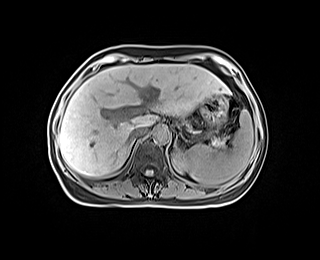 Abdominal MR · Axial slice 50/72 · 320x260 px · 13 organs annotated in this scan (a whole-scan count: organs this slice does not pass through have no box)
Boxes: x1 y1 x2 y2 (pixel coords, space-separated).
right adrenal gland: 128 140 133 153
liver: 59 64 229 176
stomach: 200 94 228 129
spleen: 186 110 253 187
inferior vena cava: 129 126 146 139
aorta: 153 126 169 142
pancreas: 211 138 225 146
left adrenal gland: 174 133 178 147
left kidney: 172 151 188 172